CT abdomen — Axial slice 196/306 — W/L 400/40 HU — 512x512 px
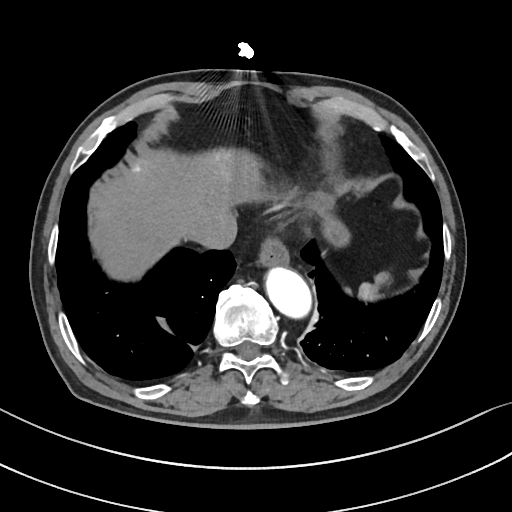 Box edges are left/top/right/bottom in pixels. The annotated organs in this slice are: liver at left=87, top=147, right=273, bottom=279, stomach at left=304, top=193, right=347, bottom=245, aorta at left=264, top=265, right=309, bottom=314, esophagus at left=260, top=234, right=287, bottom=263, spleen at left=341, top=269, right=387, bottom=301, inferior vena cava at left=190, top=225, right=236, bottom=246.